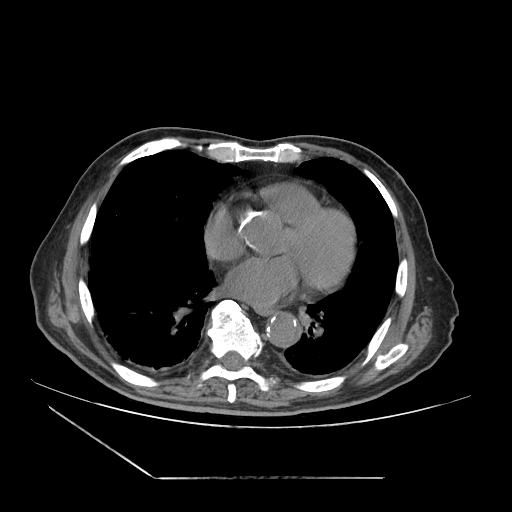
Abdominal CT; this slice is in the lower chest, just above the liver. Axial slice 181/187. soft-tissue window (W 400 / L 40). 512x512 px. scan has 15 labeled organs (a whole-scan count: organs this slice does not pass through have no box)
Of the structures in the chest, this dataset labels only the esophagus, the aorta and the inferior vena cava; the heart and lungs have no label.
{"organs":{"esophagus":[255,308,275,316],"aorta":[266,312,300,347]}}